Chest-level slice from an abdominal CT that extends up into the chest · axial view · soft-tissue window (W 400 / L 40) · 512x512 px
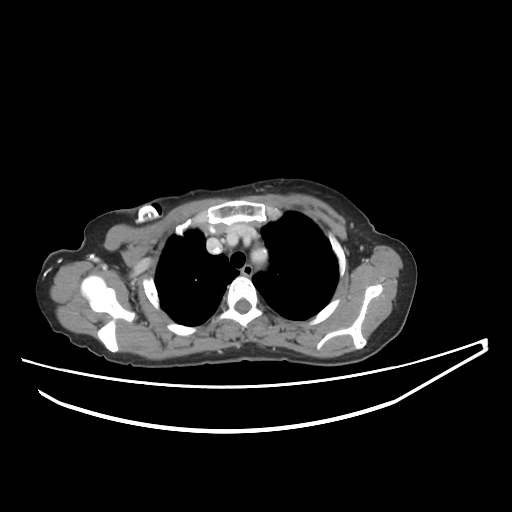
At this level of the chest no structure but the esophagus and the aorta has a label in this dataset, and those two are boxed only where they are labeled. Each box given as x1,y1,x2,y2. 2 labeled organs on this slice — esophagus at x1=241, y1=265, x2=252, y2=275; aorta at x1=252, y1=250, x2=265, y2=261.